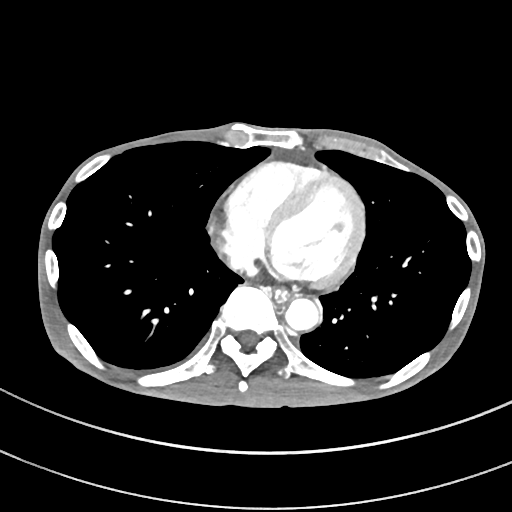

Lower-chest slice from an abdominal CT, just above the liver and spleen; axial view; 512x512 px; SOMATOM Force scanner
No part of the heart or lungs is labeled in this dataset, so neither has a box here.
Coordinates as <box>x1,y1,x2,y2</box> in pixels.
Organ bounding boxes:
- esophagus: <box>274,289,290,303</box>
- aorta: <box>285,299,319,331</box>
- inferior vena cava: <box>229,254,256,277</box>